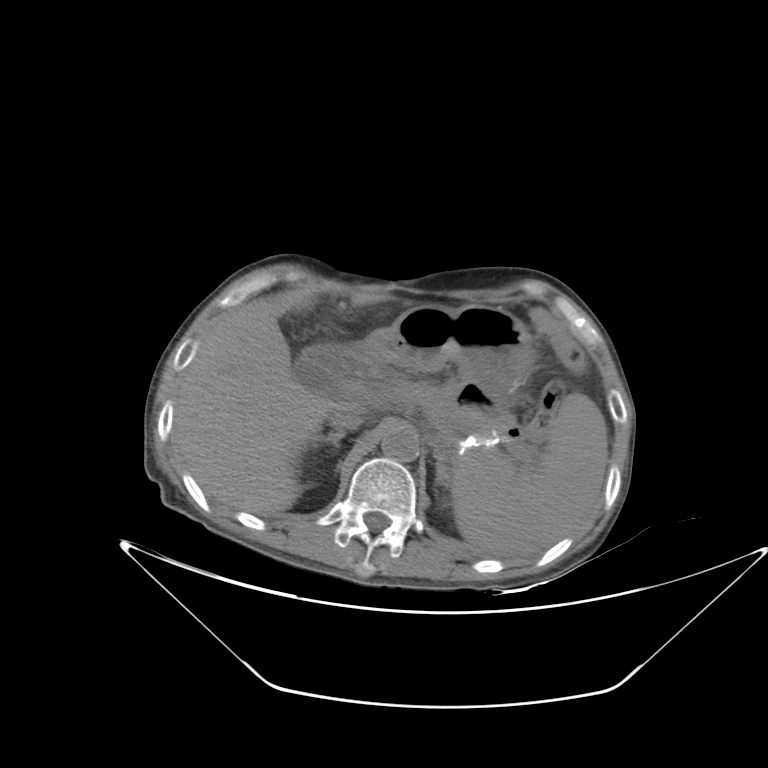

CT, abdomen/pelvis — axial view
Each box given as x1,y1,x2,y2.
Organ bounding boxes:
- spleen: x1=451, y1=392, x2=608, y2=558
- liver: x1=171, y1=289, x2=381, y2=515
- stomach: x1=360, y1=304, x2=534, y2=410
- aorta: x1=381, y1=428, x2=418, y2=461
- inferior vena cava: x1=327, y1=412, x2=363, y2=432
- pancreas: x1=425, y1=391, x2=515, y2=436
- right adrenal gland: x1=311, y1=432, x2=344, y2=451
- left adrenal gland: x1=435, y1=456, x2=444, y2=484
- duodenum: x1=303, y1=344, x2=368, y2=381